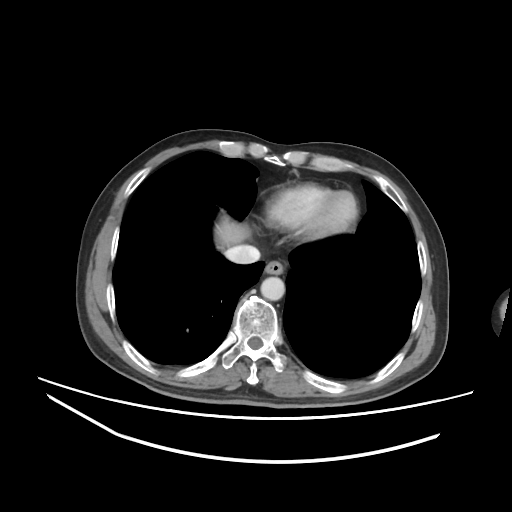
Computed tomography, abdomen; axial view
<organs><organ name="esophagus" x1="265" y1="260" x2="284" y2="274"/><organ name="liver" x1="215" y1="217" x2="250" y2="247"/><organ name="aorta" x1="260" y1="276" x2="284" y2="300"/><organ name="inferior vena cava" x1="224" y1="245" x2="260" y2="264"/></organs>